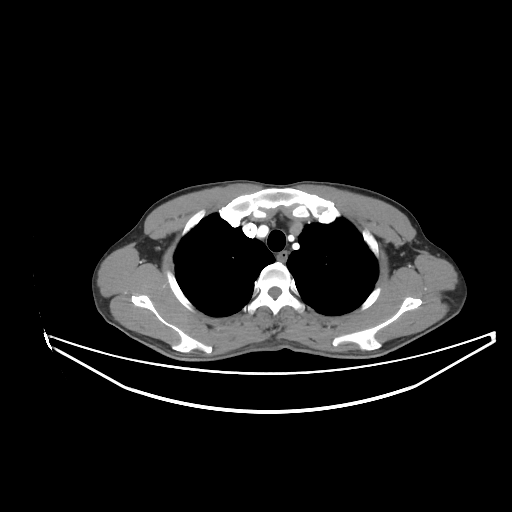 Abdominal CT reaching into the chest; this slice is in the chest. axial view. 52-year-old male patient
At this level of the chest this dataset labels only the esophagus and the aorta, and each is boxed only where it is labeled; the heart and lungs are never labeled.
{"organs":{"esophagus":[278,253,286,260]}}